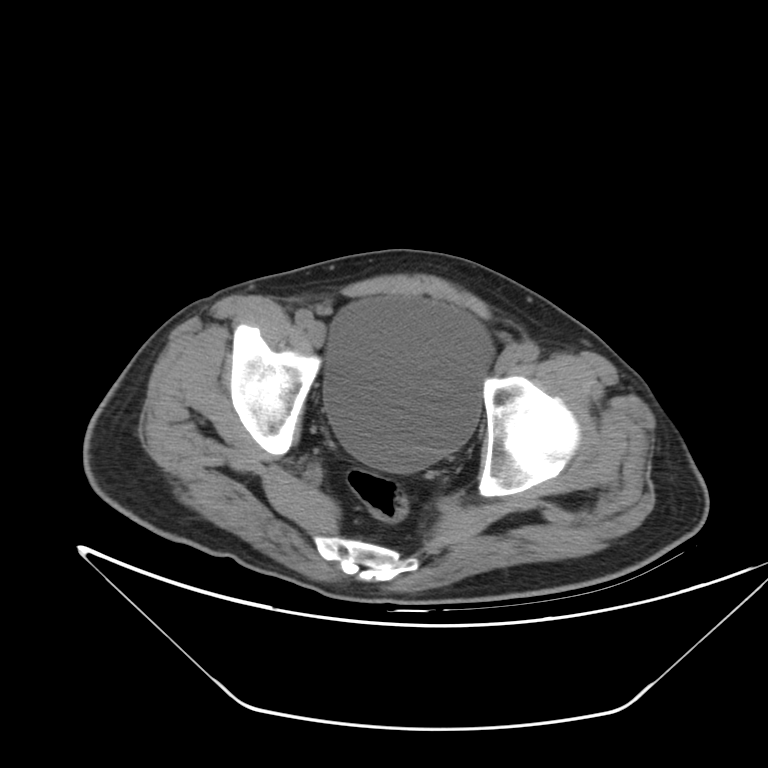
CT abdomen; axial view
Each box given as x1,y1,x2,y2.
Organ bounding boxes:
- bladder: x1=325, y1=297, x2=490, y2=472